Lower-chest slice from an abdominal CT, just above the liver and spleen. axial view. 512x512 px
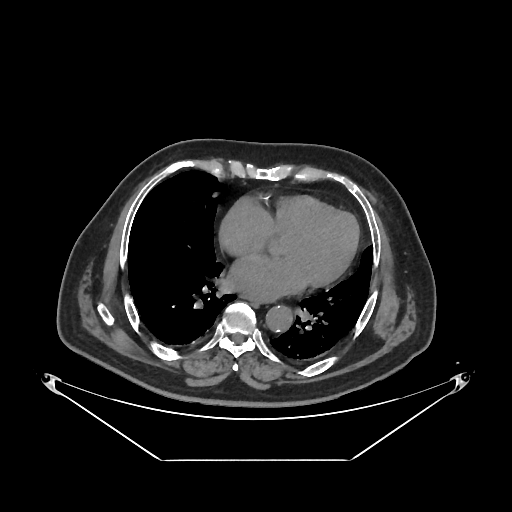 No part of the heart or lungs is labeled in this dataset, so neither has a box here.
<organs><organ name="esophagus" x1="243" y1="297" x2="268" y2="302"/><organ name="aorta" x1="266" y1="304" x2="293" y2="331"/></organs>